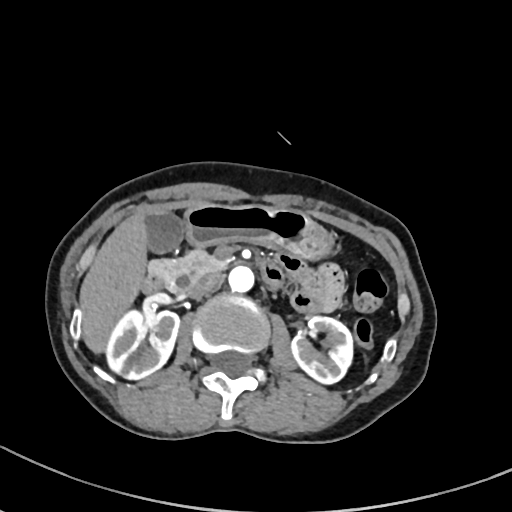

Computed tomography, abdomen — axial plane, index 144 — 512x512 px — SOMATOM Force scanner
One row per box, in pixels: columns x1 and y1 give the top-left corner, x2 and y2 the bottom-right.
| organ | x1 | y1 | x2 | y2 |
|---|---|---|---|---|
| aorta | 228 | 265 | 254 | 291 |
| gall bladder | 146 | 212 | 185 | 253 |
| right kidney | 104 | 309 | 178 | 378 |
| pancreas | 150 | 250 | 226 | 291 |
| stomach | 184 | 203 | 332 | 257 |
| left kidney | 288 | 316 | 352 | 384 |
| inferior vena cava | 188 | 272 | 224 | 297 |
| duodenum | 141 | 258 | 284 | 291 |
| liver | 81 | 213 | 147 | 350 |